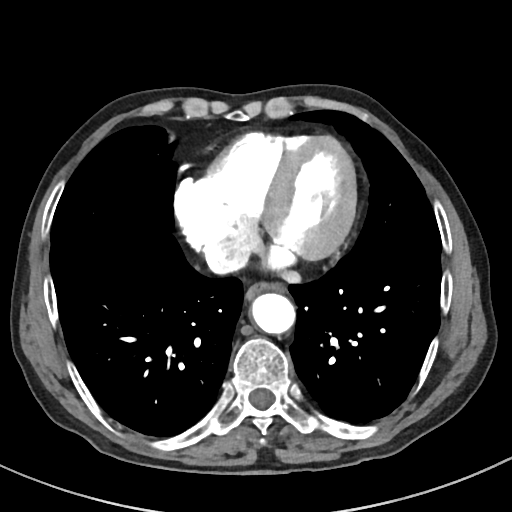

CT of the abdomen reaching into the lower chest, slice just above the liver and spleen. axial view
No part of the heart or lungs is labeled in this dataset, so neither has a box here.
One row per box, in pixels: columns x1 and y1 give the top-left corner, x2 and y2 the bottom-right.
| organ | x1 | y1 | x2 | y2 |
|---|---|---|---|---|
| esophagus | 244 | 281 | 284 | 302 |
| inferior vena cava | 204 | 244 | 244 | 271 |
| aorta | 253 | 294 | 296 | 334 |